Abdominal CT reaching into the chest; this slice is in the chest · Axial slice 124/131 · soft-tissue window, W/L 400/40
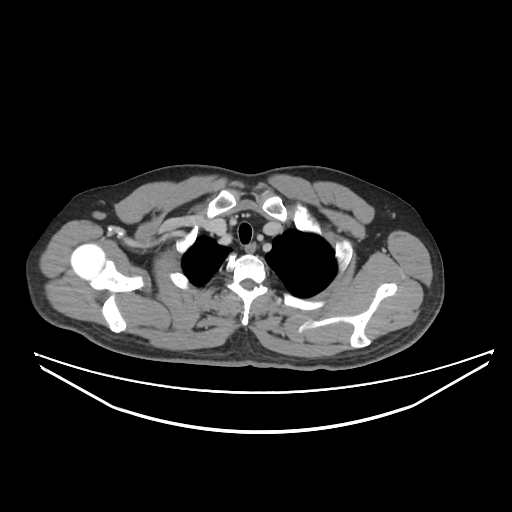
On a slice this high in the chest, this dataset labels only the esophagus and the aorta, and each is boxed only where it is labeled; the heart, lungs and other chest structures are not labeled.
<organs><organ name="esophagus" x1="245" y1="243" x2="255" y2="252"/></organs>